Computed tomography, abdomen. Axial slice 68/100. W/L 400/40 HU
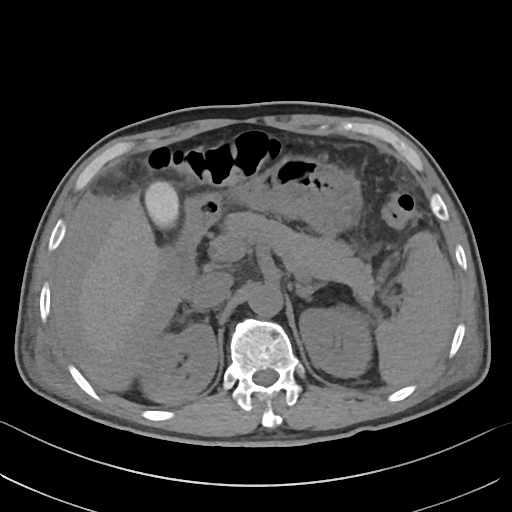 Each box given as x1,y1,x2,y2.
inferior vena cava: x1=191, y1=272, x2=233, y2=309
liver: x1=80, y1=194, x2=160, y2=354
left adrenal gland: x1=295, y1=283, x2=324, y2=300
left kidney: x1=299, y1=305, x2=372, y2=377
duodenum: x1=167, y1=224, x2=208, y2=294
aorta: x1=248, y1=283, x2=283, y2=316
right kidney: x1=139, y1=323, x2=217, y2=402
stomach: x1=184, y1=155, x2=362, y2=236
spleen: x1=375, y1=231, x2=452, y2=385
gall bladder: x1=145, y1=182, x2=177, y2=263
pancreas: x1=209, y1=212, x2=375, y2=303